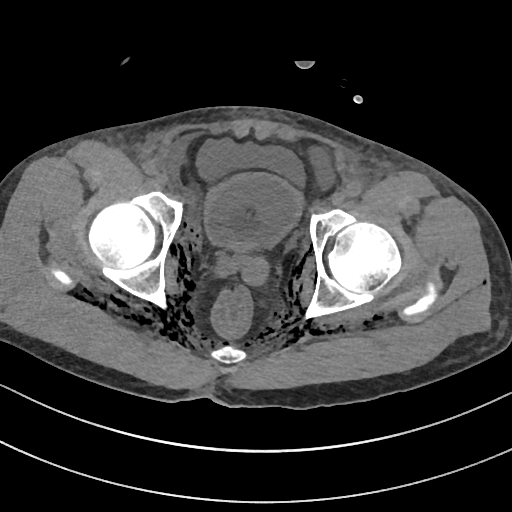
CT, abdomen/pelvis · axial view
Bounding boxes in pixels, one row per box: x1, y1 is the top-left corner and x2, y2 the bottom-right.
| organ | x1 | y1 | x2 | y2 |
|---|---|---|---|---|
| bladder | 205 | 172 | 302 | 248 |